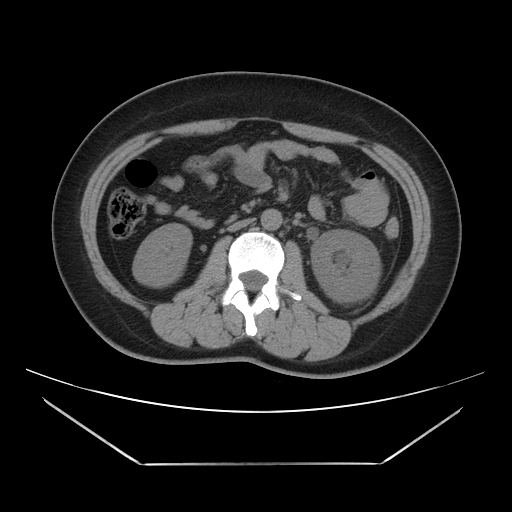

CT abdomen — axial view — soft-tissue window — 512x512 px — 15 organs annotated in this scan (a whole-scan count: organs this slice does not pass through have no box)
Bounding boxes as [x1, y1, x2, y2] in pixel coordinates. The annotated organs in this slice are: right kidney at [132, 223, 191, 287], left kidney at [311, 229, 381, 302], aorta at [261, 209, 282, 230], inferior vena cava at [227, 218, 254, 231].